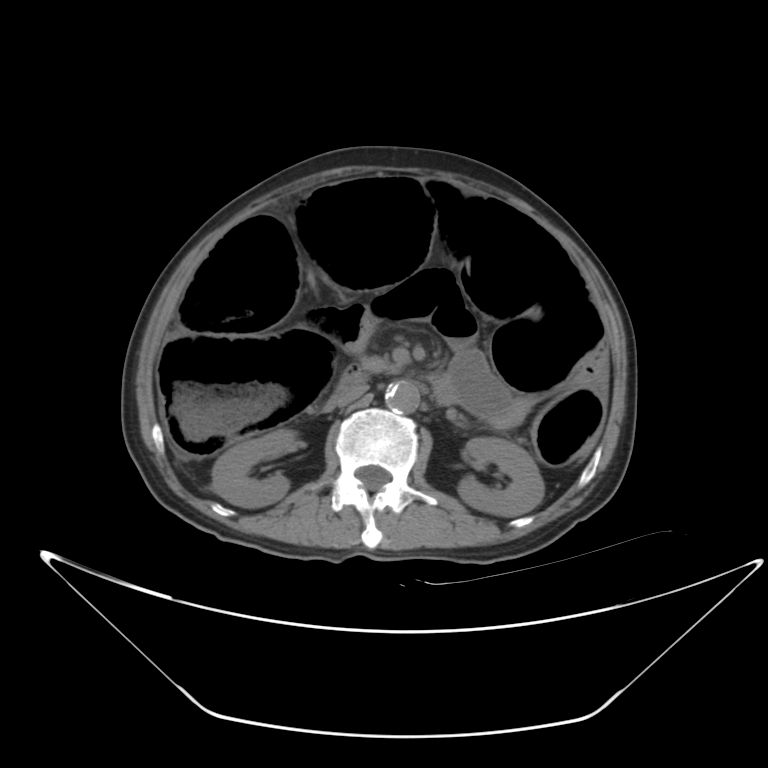

CT abdomen. axial plane, index 55. 64-year-old male patient. 15 organs annotated in this scan (counted over the whole 3D scan, not this slice; an organ is boxed only where this slice passes through it)
Each box given as x1,y1,x2,y2. 6 labeled organs on this slice — right kidney at x1=212, y1=429, x2=295, y2=507; left kidney at x1=458, y1=437, x2=543, y2=516; aorta at x1=385, y1=380, x2=420, y2=413; inferior vena cava at x1=328, y1=383, x2=368, y2=409; pancreas at x1=363, y1=356, x2=394, y2=371; duodenum at x1=337, y1=365, x2=370, y2=390.